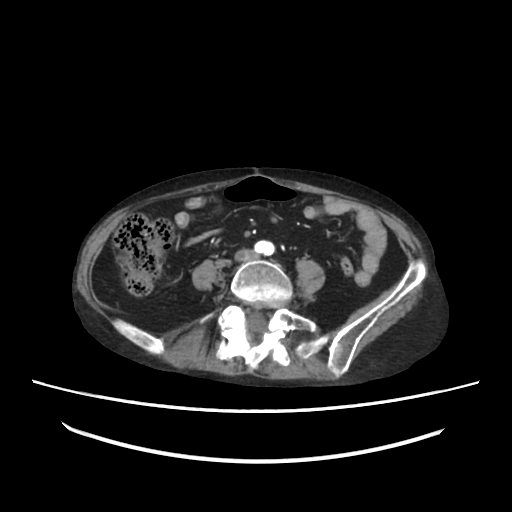
Abdominal CT; axial view; W/L 400/40 HU; 512x512 px; 61-year-old female patient
Organ boxes in pixel coordinates; each row gives the top-left (x1, y1) and bottom-right (x2, y2) corners.
| organ | x1 | y1 | x2 | y2 |
|---|---|---|---|---|
| inferior vena cava | 234 | 248 | 257 | 259 |